Computed tomography, abdomen; axial plane, index 48; soft-tissue window (W 400 / L 40)
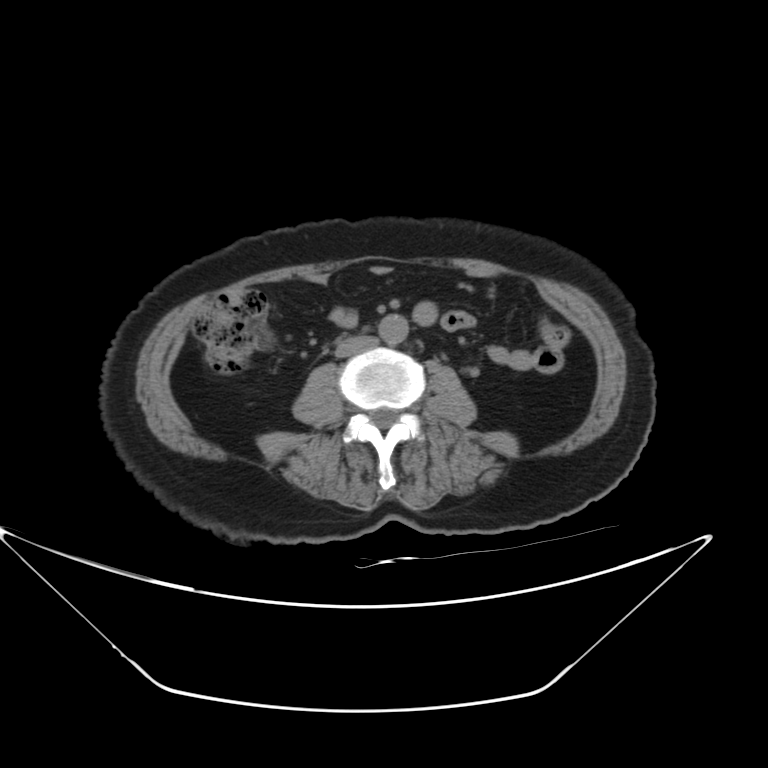
Boxes: x1 y1 x2 y2 (pixel coords, space-separated). 2 labeled organs on this slice — aorta at 379 314 409 344; inferior vena cava at 335 335 378 357.